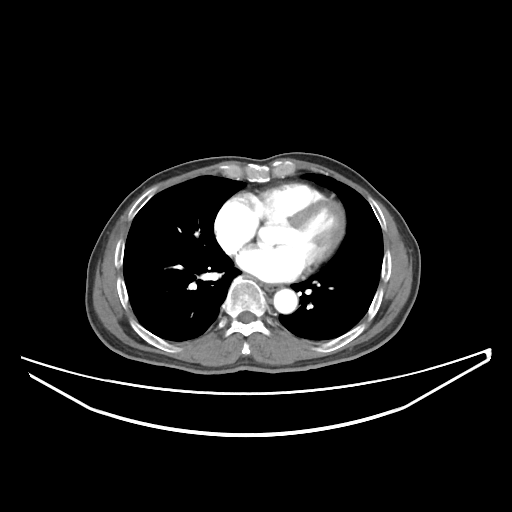

CT of the abdomen reaching into the lower chest, slice just above the liver and spleen; axial view; W/L 400/40 HU; Aquilion ONE scanner
The heart and lungs are never labeled in this dataset, so they have no box on this slice.
Boxes are (x1, y1, x2, y2) in pixels.
esophagus: (264, 284, 280, 291)
aorta: (273, 289, 297, 313)